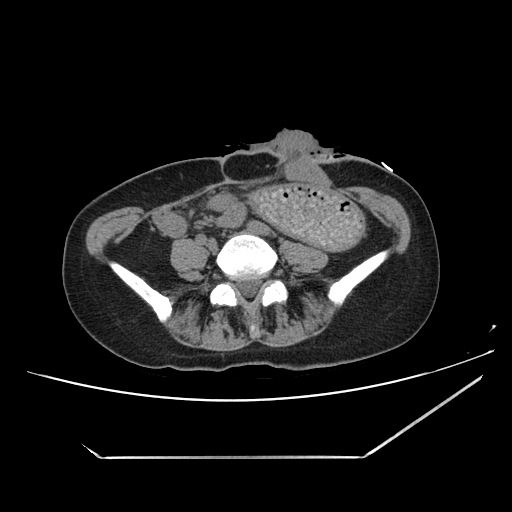 Abdominal CT · axial plane, index 60 · abdomen soft-tissue window · 14 organs annotated in this scan (a whole-scan count: organs this slice does not pass through have no box)
Each box given as x1,y1,x2,y2.
Organ bounding boxes:
- stomach: x1=250, y1=184, x2=364, y2=248